CT of the abdomen extending into the chest, slice through the chest. axial plane, index 80. soft-tissue window (W 400 / L 40). 512x512 px
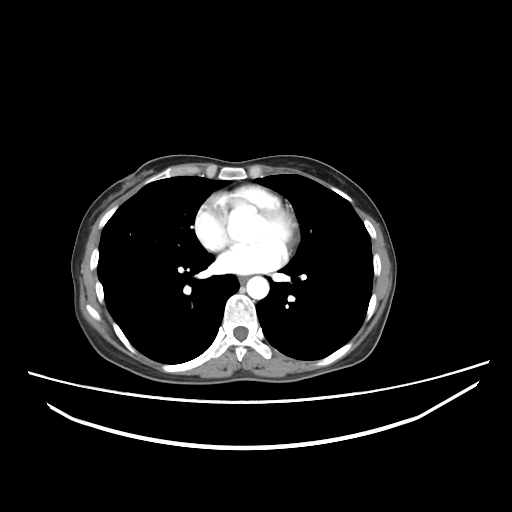 On a slice this high in the chest, this dataset labels only the esophagus and the aorta, and each is boxed only where it is labeled; the heart, lungs and other chest structures are not labeled.
<organs><organ name="esophagus" x1="239" y1="276" x2="247" y2="283"/><organ name="aorta" x1="246" y1="276" x2="269" y2="299"/></organs>